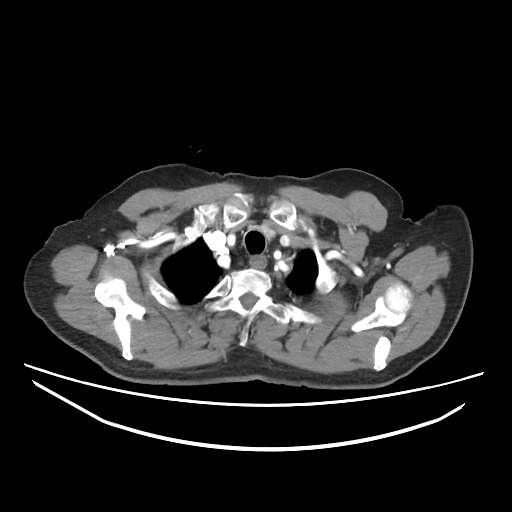 Abdominal CT reaching into the chest; this slice is in the chest. Axial slice 121/124. 512x512 px. Aquilion ONE scanner
At this level of the chest no structure but the esophagus and the aorta has a label in this dataset, and those two are boxed only where they are labeled. Boxes: x1 y1 x2 y2 (pixel coords, space-separated). The annotated organs in this slice are: esophagus at 250 257 265 267.